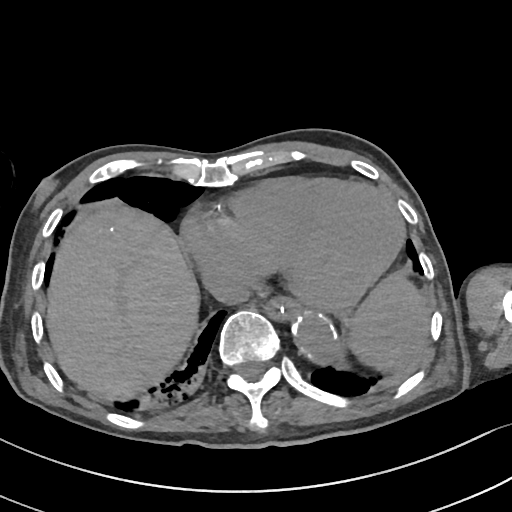

Abdominal CT · axial view · 512x512 px · scan has 15 labeled organs (counted over the whole 3D scan, not this slice; an organ is boxed only where this slice passes through it)
Boxes: x1 y1 x2 y2 (pixel coords, space-separated).
Organ bounding boxes:
- spleen: 349 274 423 369
- esophagus: 265 299 301 322
- liver: 49 207 198 394
- aorta: 294 316 340 364
- inferior vena cava: 207 272 250 304